CT of the abdomen reaching into the lower chest, slice just above the liver and spleen — Axial slice 233/314
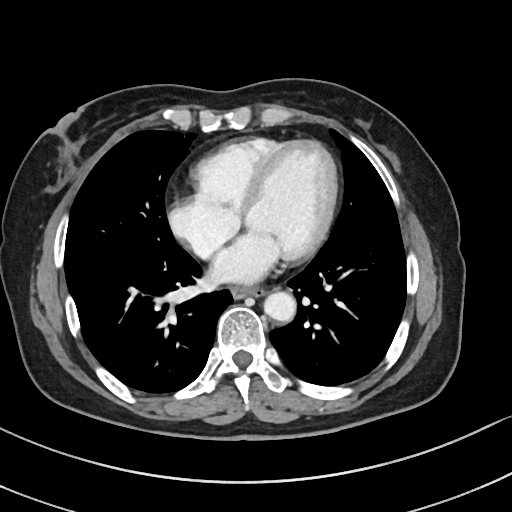
The heart and lungs are never labeled in this dataset, so they have no box on this slice.
{"organs":{"aorta":[263,292,295,322],"esophagus":[231,287,266,298]}}